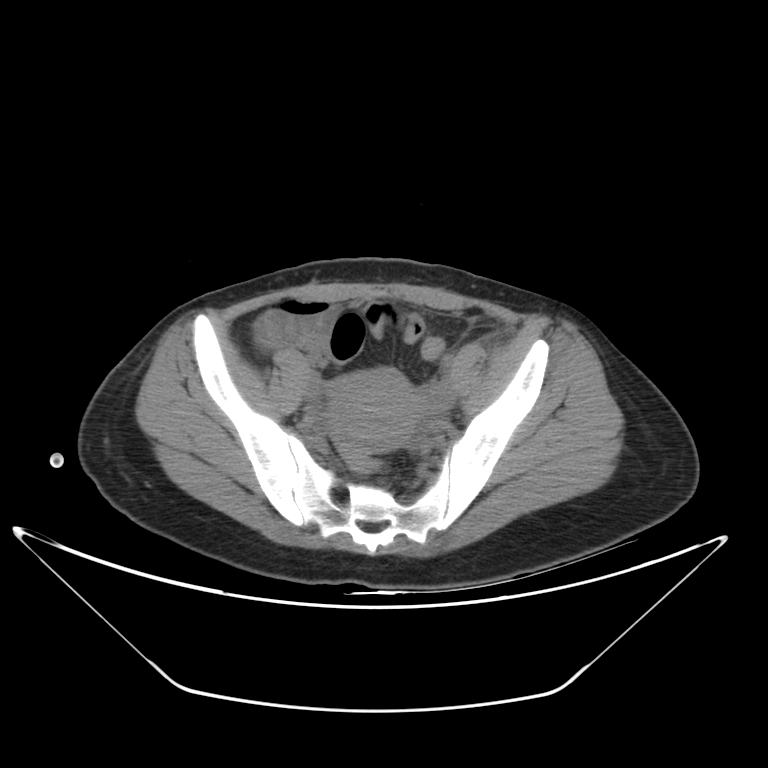

CT abdomen — axial view — 768x768 px
Boxes: x1 y1 x2 y2 (pixel coords, space-separated).
prostate/uterus: 330 367 420 450